Abdominal CT — axial view — abdomen soft-tissue window — 512x512 px — 45-year-old male patient — scan has 15 labeled organs (counted over the whole 3D scan, not this slice; an organ is boxed only where this slice passes through it)
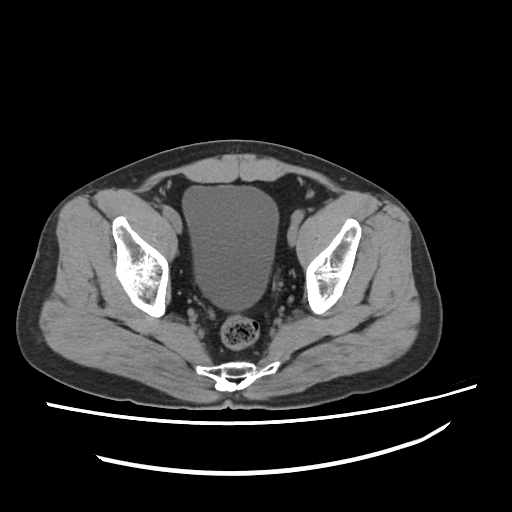

{"organs":{"bladder":[181,182,276,311]}}